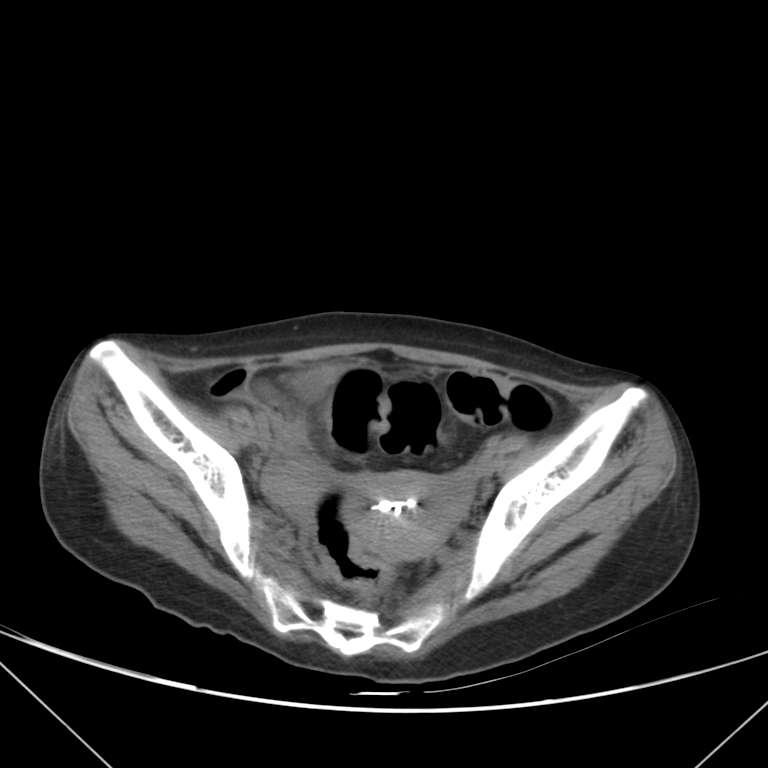
CT abdomen. axial view
{"organs":{"bladder":[294,367,336,398],"prostate/uterus":[346,470,458,559]}}